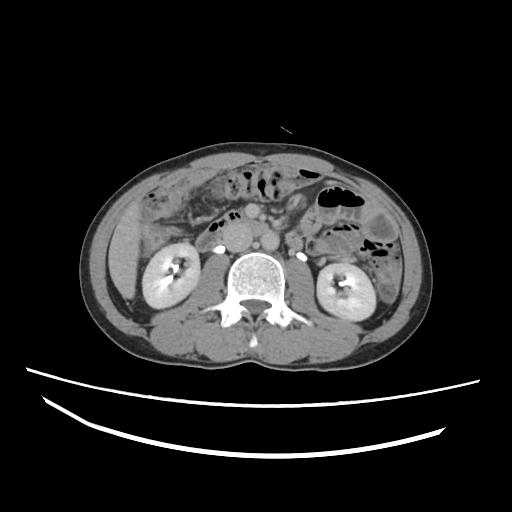
CT, abdomen/pelvis · axial plane, index 64 · W/L 400/40 HU · 512x512 px · 40-year-old male patient · Aquilion ONE scanner
{"organs":{"left kidney":[316,263,374,320],"liver":[109,200,142,299],"duodenum":[195,211,302,251],"right kidney":[141,242,200,308],"inferior vena cava":[222,223,252,251],"aorta":[260,230,279,249]}}